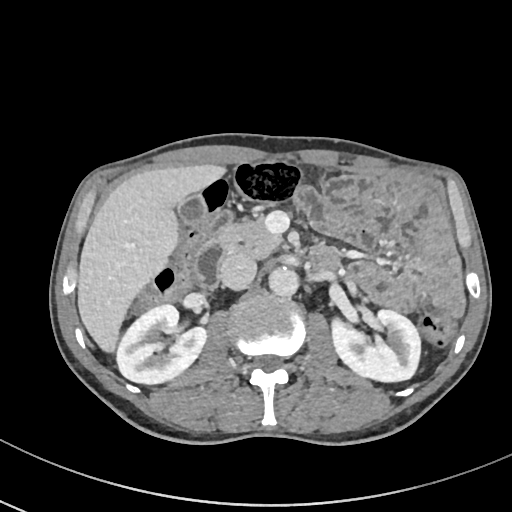
CT, abdomen/pelvis. axial view. soft-tissue window (W 400 / L 40). 512x512 px
Boxes are (x1, y1, x2, y2) in pixels. Labeled organs on this slice: right kidney at (116, 305, 206, 383), left kidney at (332, 310, 420, 382), gall bladder at (177, 193, 207, 225), liver at (77, 164, 225, 352), aorta at (268, 266, 299, 296), inferior vena cava at (219, 252, 256, 289), pancreas at (216, 218, 281, 258), duodenum at (193, 208, 338, 287).